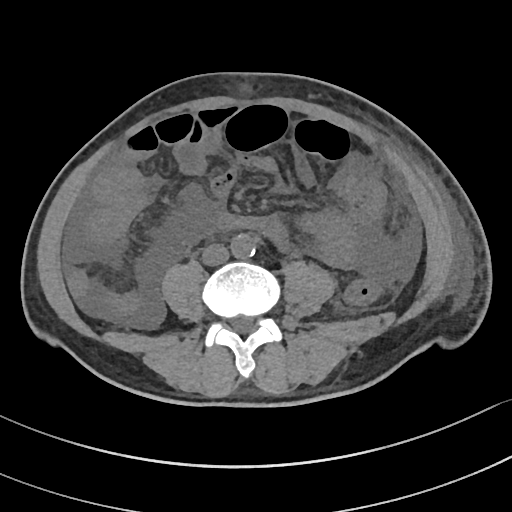
Abdominal CT — axial plane, index 87
Each box given as x1,y1,x2,y2.
aorta: x1=230, y1=234, x2=255, y2=258
inferior vena cava: x1=201, y1=244, x2=229, y2=265